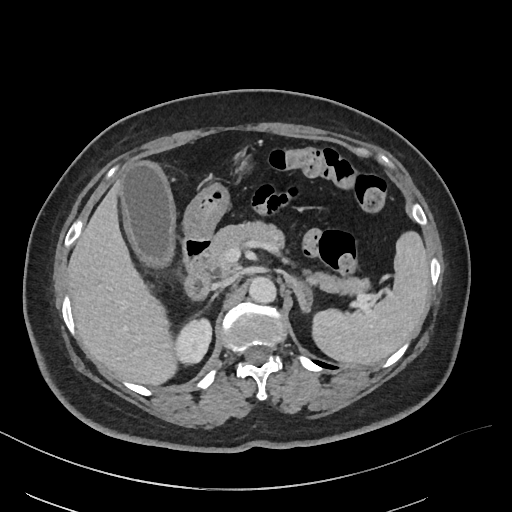 Abdominal CT. axial view. soft-tissue window. SOMATOM Force scanner. scan has 15 labeled organs (that count is for the whole scan; organs this slice misses have no box)
Bounding boxes in pixels, one row per box: x1, y1 is the top-left corner and x2, y2 the bottom-right.
| organ | x1 | y1 | x2 | y2 |
|---|---|---|---|---|
| spleen | 311 | 233 | 429 | 365 |
| right kidney | 174 | 321 | 211 | 362 |
| gall bladder | 118 | 162 | 173 | 270 |
| liver | 67 | 176 | 175 | 386 |
| stomach | 170 | 180 | 231 | 238 |
| aorta | 249 | 278 | 277 | 303 |
| inferior vena cava | 212 | 278 | 233 | 290 |
| pancreas | 202 | 221 | 367 | 292 |
| right adrenal gland | 212 | 292 | 219 | 299 |
| left adrenal gland | 285 | 273 | 311 | 311 |
| duodenum | 182 | 236 | 210 | 298 |